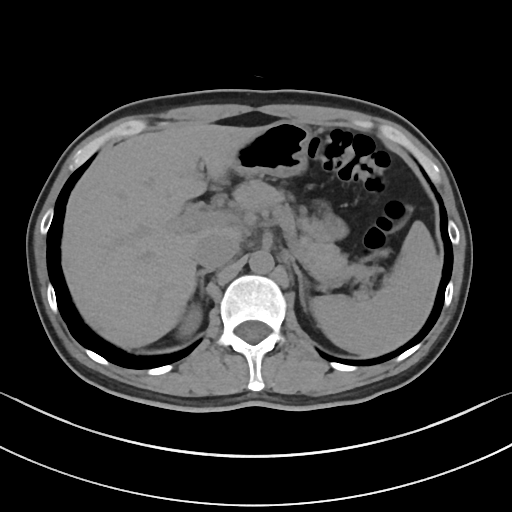

CT abdomen; Axial slice 69/87; abdomen soft-tissue window; 15 organs annotated in this scan (counted over the whole 3D scan, not this slice; an organ is boxed only where this slice passes through it)
Coordinates as <box>x1,y1,x2,y2</box> in pixels. Labeled organs on this slice: pancreas at <box>233,179,366,284</box>, right kidney at <box>182,309,201,337</box>, right adrenal gland at <box>196,269,209,288</box>, liver at <box>61,124,266,348</box>, stomach at <box>231,120,311,178</box>, aorta at <box>249,250,274,273</box>, spleen at <box>311,221,442,356</box>, left adrenal gland at <box>292,259,306,311</box>, inferior vena cava at <box>194,233,239,270</box>.